CT, abdomen/pelvis · axial view · soft-tissue window (W 400 / L 40) · 768x768 px · acquired on Brilliance16 · scan has 14 labeled organs (that count is for the whole scan; organs this slice misses have no box)
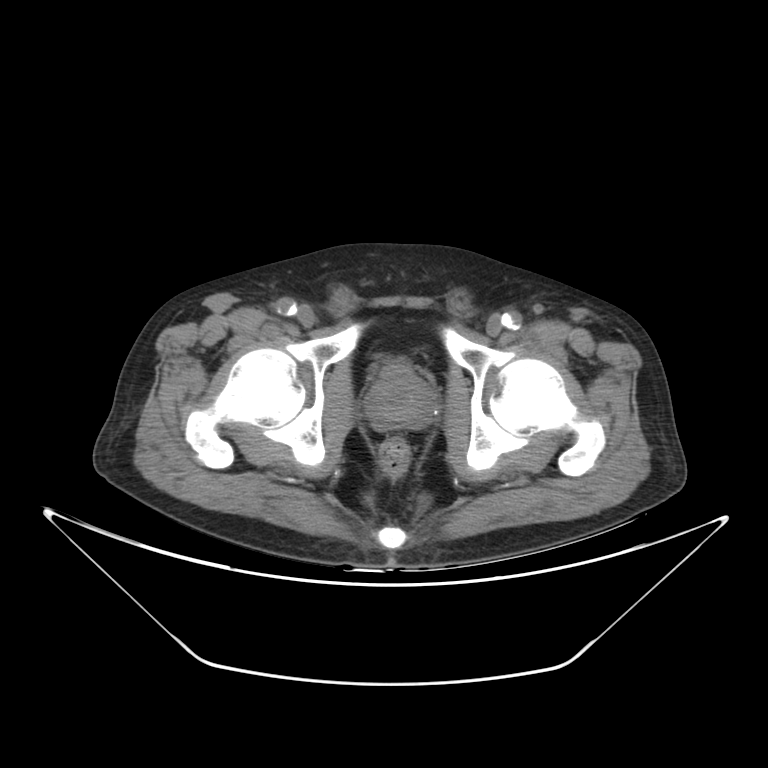
{"organs":{"bladder":[382,357,409,371],"prostate/uterus":[365,368,435,429]}}